Abdominal MRI; this slice is in the lower chest, just above the liver — axial view — 1st–99th percentile window — scan has 13 labeled organs (that count is for the whole scan; organs this slice misses have no box)
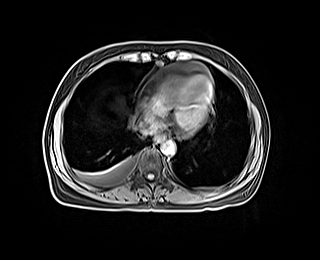 The heart and lungs are never labeled in this dataset, so they have no box on this slice.
Box edges are left/top/right/bottom in pixels.
esophagus: left=154, top=134, right=165, bottom=142
aorta: left=161, top=141, right=175, bottom=155
inferior vena cava: left=136, top=121, right=155, bottom=135